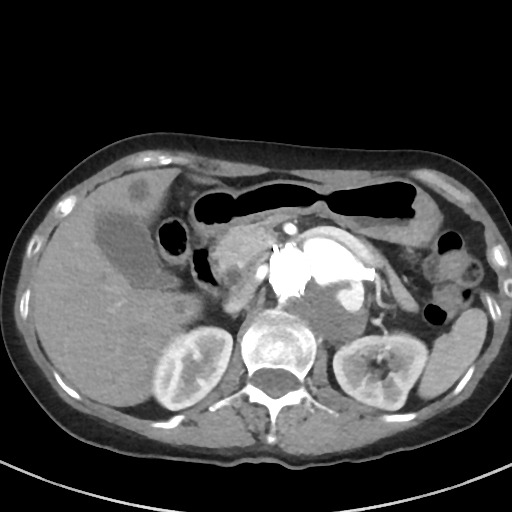
Computed tomography, abdomen — axial plane, index 54
{"organs":{"duodenum":[190,233,223,295],"right kidney":[152,327,232,410],"stomach":[190,178,441,246],"spleen":[418,308,487,399],"inferior vena cava":[224,273,254,312],"pancreas":[215,222,417,311],"liver":[32,168,213,406],"gall bladder":[96,211,177,288],"aorta":[268,238,365,340],"left kidney":[333,332,427,410]}}